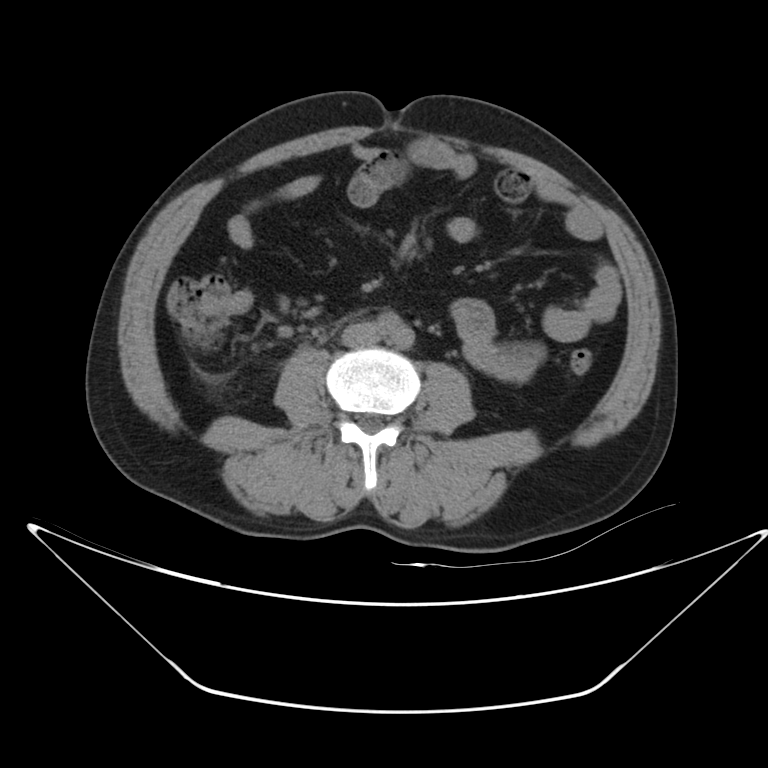

Computed tomography, abdomen. axial view. 45-year-old male patient
Boxes: x1 y1 x2 y2 (pixel coords, space-separated). 1 labeled organ on this slice — inferior vena cava at 341 323 379 345.